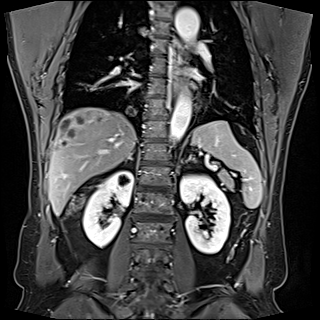

Magnetic resonance imaging, abdomen — Coronal slice 20/60 — percentile-normalized — 13 organs annotated in this scan (counted over the whole 3D scan, not this slice; an organ is boxed only where this slice passes through it)
Boxes are (x1, y1, x2, y2) in pixels.
spleen: (192, 121, 262, 208)
right kidney: (83, 171, 133, 247)
left kidney: (180, 175, 230, 253)
esophagus: (170, 42, 180, 97)
liver: (48, 107, 136, 215)
aorta: (169, 90, 191, 142)
aorta: (174, 8, 199, 42)
pancreas: (217, 170, 234, 189)
right adrenal gland: (125, 154, 132, 162)
left adrenal gland: (187, 154, 192, 161)